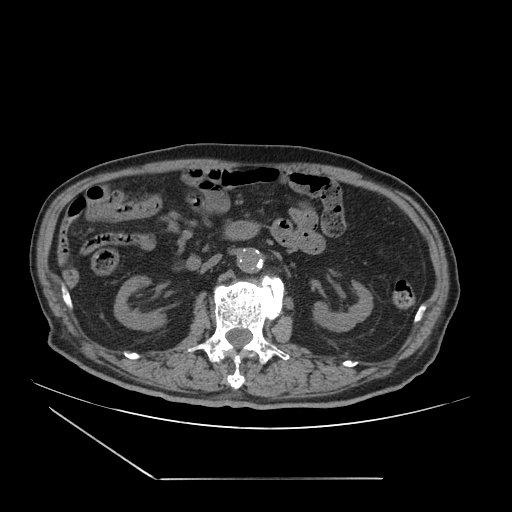

CT, abdomen/pelvis · Axial slice 117/187 · 512x512 px · 15 organs annotated in this scan (a whole-scan count: organs this slice does not pass through have no box)
{"organs":{"inferior vena cava":[201,254,221,271],"right kidney":[114,276,165,330],"aorta":[237,248,263,272],"left kidney":[312,281,372,331],"duodenum":[186,221,259,268]}}